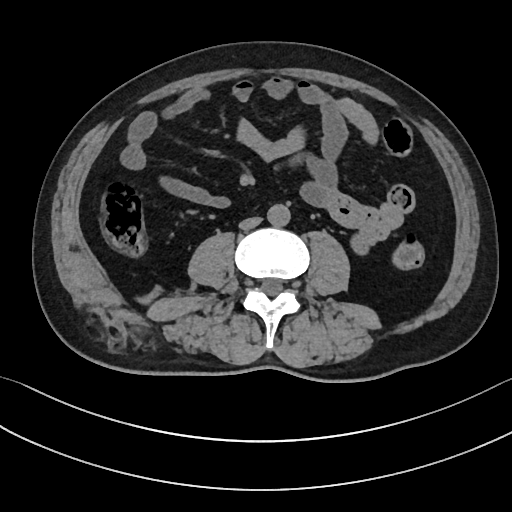

CT, abdomen/pelvis · axial plane, index 113 · soft-tissue window · SOMATOM Force scanner
{"organs":{"aorta":[267,204,290,227],"inferior vena cava":[239,217,261,229]}}